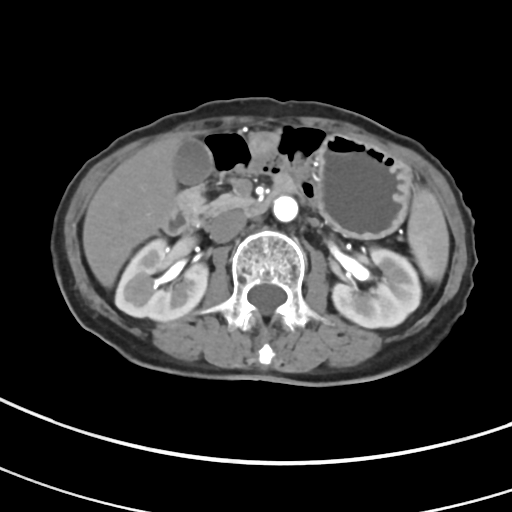

CT abdomen — Axial slice 54/118 — soft-tissue window
Boxes are (x1, y1, x2, y2) in pixels. 10 labeled organs on this slice — spleen at (407, 188, 449, 282); right kidney at (115, 238, 207, 321); left kidney at (332, 248, 421, 327); inferior vena cava at (207, 210, 247, 242); liver at (82, 133, 186, 287); stomach at (250, 131, 408, 238); gall bladder at (173, 138, 211, 184); aorta at (273, 195, 297, 221); pancreas at (177, 184, 251, 227); duodenum at (162, 182, 297, 234).